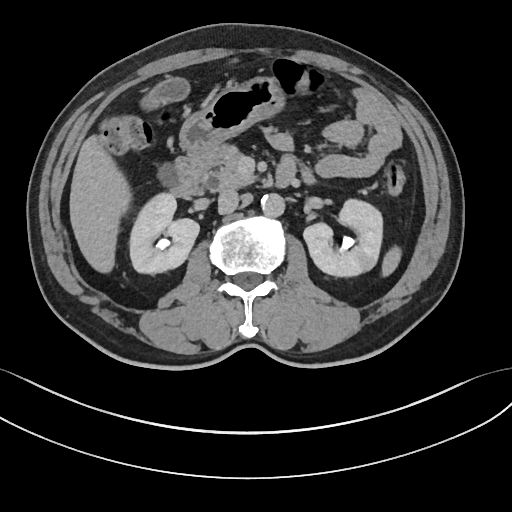
CT abdomen. axial view. abdomen soft-tissue window. 512x512 px
Organ boxes in pixel coordinates; each row gives the top-left (x1, y1) and bottom-right (x2, y2) corners.
| organ | x1 | y1 | x2 | y2 |
|---|---|---|---|---|
| spleen | 381 | 246 | 401 | 277 |
| right kidney | 128 | 193 | 199 | 273 |
| left kidney | 303 | 197 | 383 | 275 |
| gall bladder | 143 | 78 | 187 | 188 |
| liver | 70 | 138 | 129 | 270 |
| stomach | 180 | 76 | 282 | 156 |
| aorta | 260 | 193 | 284 | 216 |
| inferior vena cava | 217 | 189 | 239 | 214 |
| pancreas | 203 | 149 | 256 | 193 |
| duodenum | 168 | 151 | 297 | 197 |